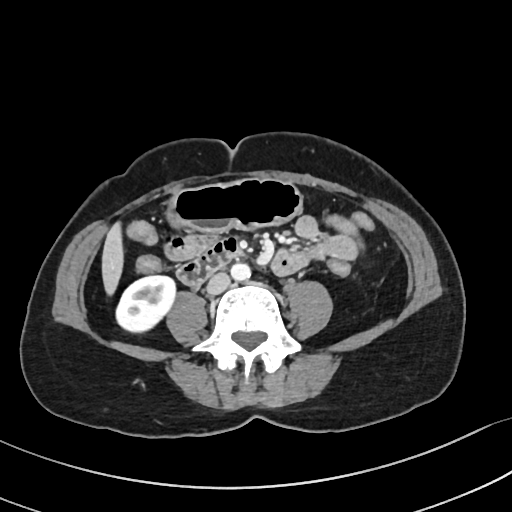

CT abdomen. axial plane, index 99. soft-tissue window (W 400 / L 40)
<organs><organ name="right kidney" x1="116" y1="275" x2="175" y2="332"/><organ name="liver" x1="102" y1="222" x2="123" y2="293"/><organ name="stomach" x1="167" y1="179" x2="301" y2="232"/><organ name="aorta" x1="231" y1="263" x2="251" y2="280"/><organ name="inferior vena cava" x1="206" y1="272" x2="230" y2="294"/><organ name="duodenum" x1="177" y1="237" x2="241" y2="285"/></organs>